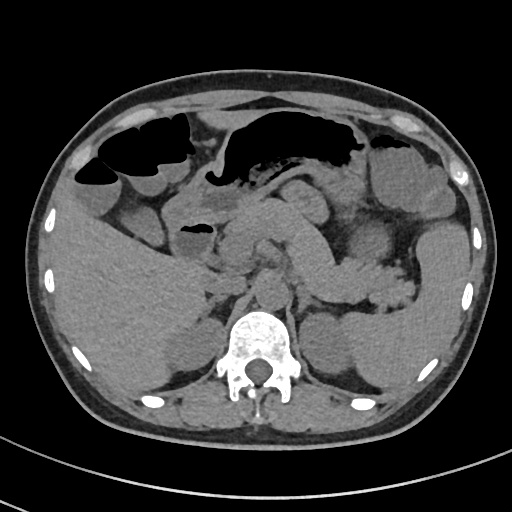 Computed tomography, abdomen; Axial slice 172/218; abdomen soft-tissue window
<organs><organ name="inferior vena cava" x1="208" y1="273" x2="246" y2="295"/><organ name="left adrenal gland" x1="297" y1="286" x2="320" y2="314"/><organ name="liver" x1="52" y1="108" x2="260" y2="391"/><organ name="duodenum" x1="167" y1="219" x2="215" y2="263"/><organ name="left kidney" x1="299" y1="314" x2="350" y2="373"/><organ name="pancreas" x1="225" y1="198" x2="409" y2="303"/><organ name="right adrenal gland" x1="203" y1="295" x2="227" y2="317"/><organ name="aorta" x1="255" y1="278" x2="288" y2="310"/><organ name="gall bladder" x1="108" y1="202" x2="164" y2="244"/><organ name="right kidney" x1="167" y1="318" x2="221" y2="369"/><organ name="spleen" x1="339" y1="222" x2="469" y2="388"/><organ name="stomach" x1="161" y1="107" x2="389" y2="260"/></organs>